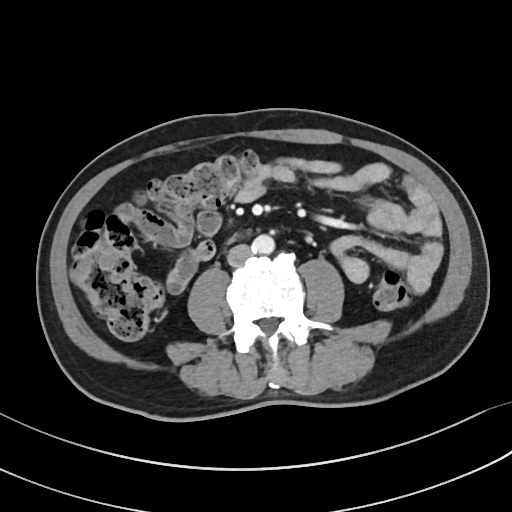

CT abdomen; Axial slice 46/128; 512x512 px
<organs><organ name="inferior vena cava" x1="227" y1="244" x2="252" y2="267"/><organ name="aorta" x1="251" y1="234" x2="274" y2="253"/></organs>